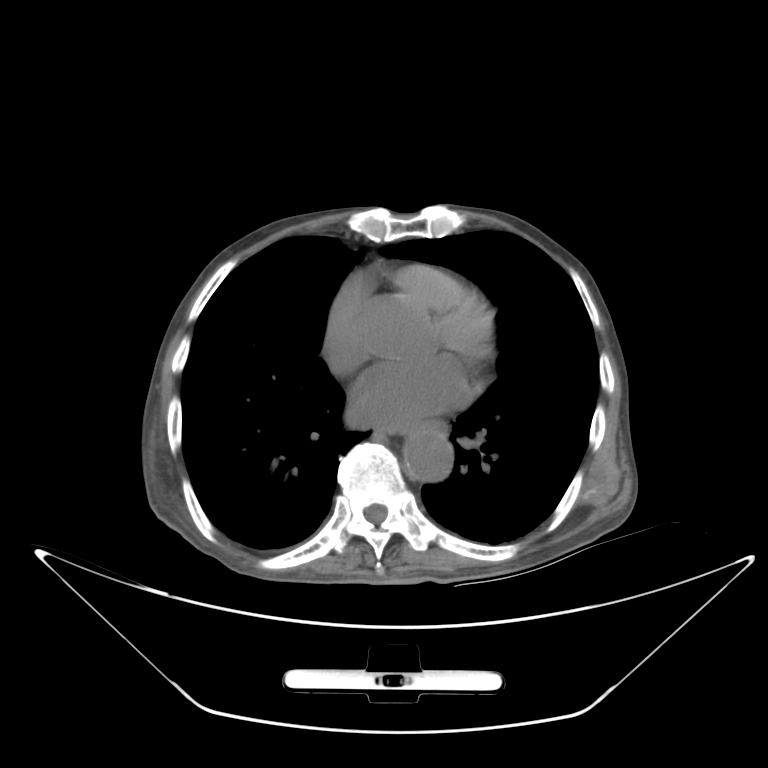 Lower-chest slice from an abdominal CT, just above the liver and spleen; axial view; 68-year-old male patient; Brilliance16 scanner
The heart and lungs are never labeled in this dataset, so they have no box on this slice.
{"organs":{"esophagus":[418,420,446,434],"aorta":[402,430,452,481]}}